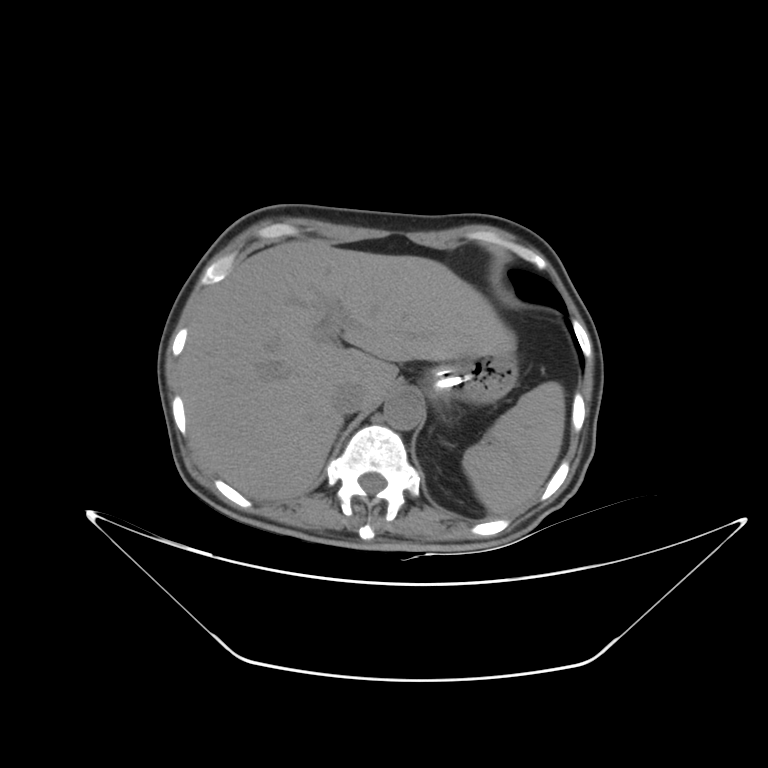

Computed tomography, abdomen — axial view — 768x768 px — acquired on Brilliance16
Coordinates as <box>x1,y1,x2,y2</box> in pixels. Labeled organs on this slice: spleen at <box>462,381,565,514</box>, liver at <box>179,239,514,500</box>, stomach at <box>426,351,518,404</box>, aorta at <box>384,392,423,430</box>, inferior vena cava at <box>331,383,366,414</box>.